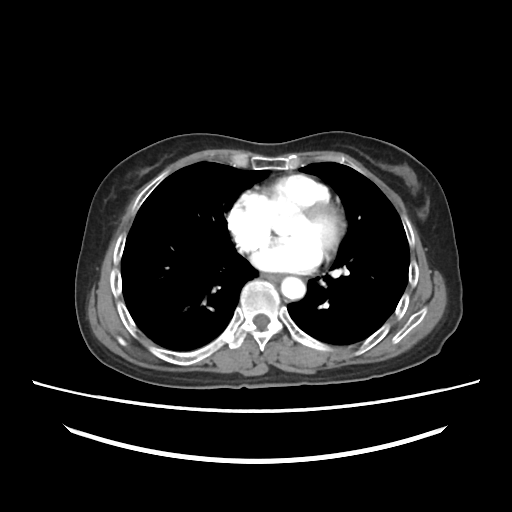 Lower-chest slice from an abdominal CT, just above the liver and spleen. axial plane, index 89. 512x512 px. 62-year-old female patient. 15 organs annotated in this scan (a whole-scan count: organs this slice does not pass through have no box)
The heart and lungs are never labeled in this dataset, so they have no box on this slice.
<organs><organ name="esophagus" x1="264" y1="274" x2="282" y2="281"/><organ name="aorta" x1="281" y1="276" x2="305" y2="299"/></organs>